Abdominal CT. axial plane, index 71. soft-tissue window. 768x768 px. 53-year-old male patient
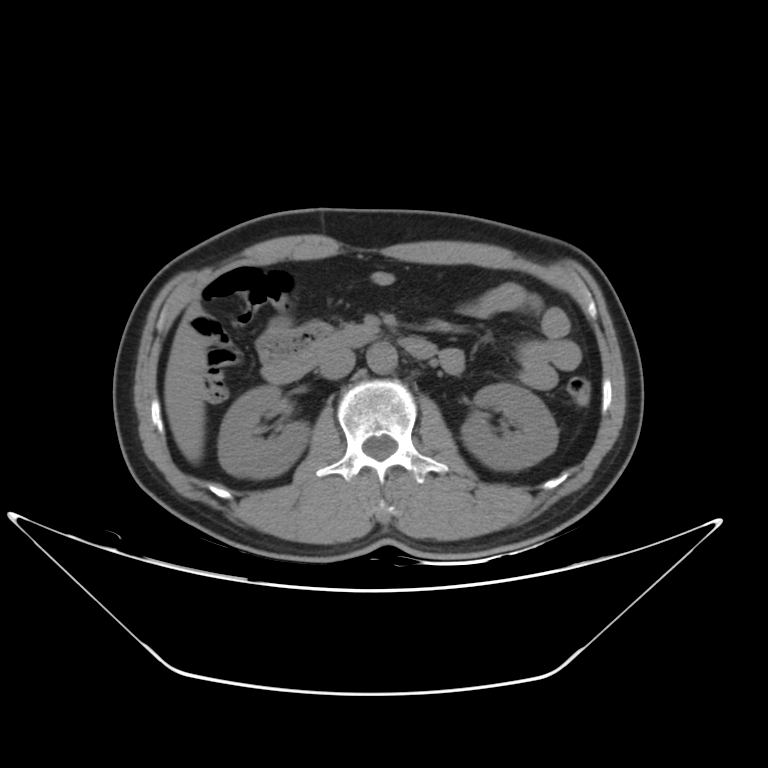 One row per box, in pixels: columns x1 and y1 give the top-left corner, x2 and y2 the bottom-right.
| organ | x1 | y1 | x2 | y2 |
|---|---|---|---|---|
| aorta | 367 | 342 | 397 | 374 |
| pancreas | 336 | 326 | 381 | 334 |
| inferior vena cava | 318 | 349 | 356 | 379 |
| duodenum | 262 | 330 | 437 | 382 |
| right kidney | 218 | 385 | 309 | 476 |
| left kidney | 461 | 384 | 558 | 469 |
| liver | 164 | 329 | 207 | 462 |